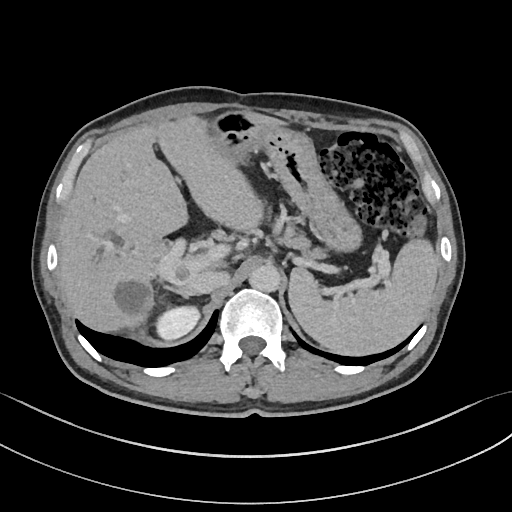

CT, abdomen/pelvis; axial plane, index 176; SOMATOM Force scanner
Boxes: x1:y1:x2:y2 in pixels.
Organ bounding boxes:
- spleen: 288:238:439:355
- right kidney: 154:306:200:339
- liver: 58:112:283:332
- stomach: 207:111:362:251
- aorta: 249:263:280:292
- inferior vena cava: 187:270:229:293
- pancreas: 281:222:323:258
- right adrenal gland: 166:286:194:298